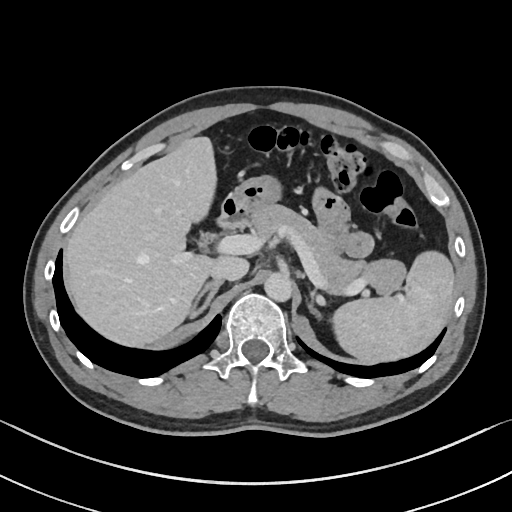

Abdominal CT; Axial slice 148/291; 512x512 px
Each box given as x1,y1,x2,y2.
spleen: x1=333, y1=253, x2=453, y2=363
liver: x1=64, y1=136, x2=216, y2=347
stomach: x1=230, y1=177, x2=279, y2=218
aorta: x1=264, y1=269, x2=291, y2=300
inferior vena cava: x1=209, y1=255, x2=249, y2=280
pancreas: x1=247, y1=203, x2=403, y2=292
right adrenal gland: x1=187, y1=279, x2=222, y2=318
left adrenal gland: x1=307, y1=281, x2=322, y2=321
duodenum: x1=217, y1=195, x2=246, y2=229